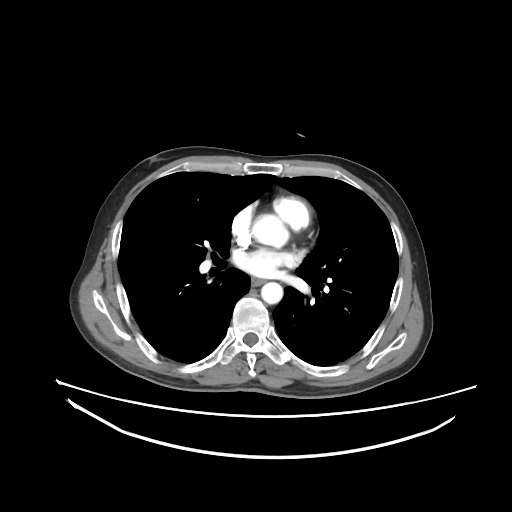

Chest-level CT slice, above the liver and spleen · axial view
At this level of the chest no structure but the esophagus and the aorta has a label in this dataset, and those two are boxed only where they are labeled.
{"organs":{"esophagus":[251,278,263,286],"aorta":[[251,215,287,247],[261,282,282,303]]}}